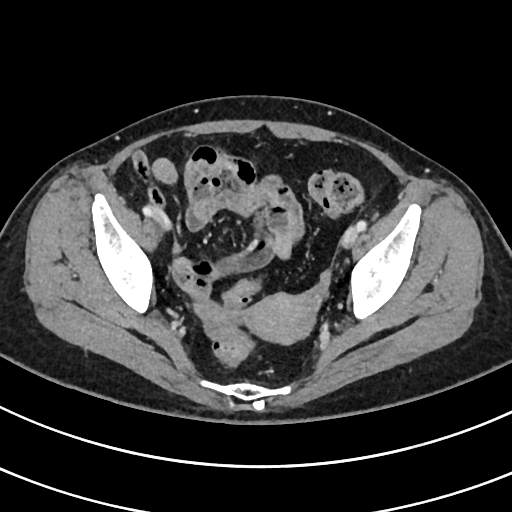

CT, abdomen/pelvis; axial view; acquired on SOMATOM Force
Boxes are (x1, y1, x2, y2) in pixels.
Organ bounding boxes:
- prostate/uterus: (246, 293, 315, 342)